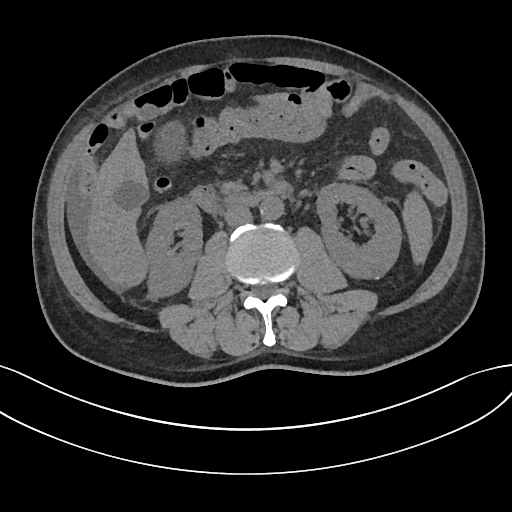 CT, abdomen/pelvis · Axial slice 117/213
Each box given as x1,y1,x2,y2.
spleen: x1=402, y1=191, x2=432, y2=264
right kidney: x1=145, y1=198, x2=202, y2=297
left kidney: x1=317, y1=183, x2=401, y2=278
gall bladder: x1=155, y1=121, x2=185, y2=161
liver: x1=87, y1=129, x2=148, y2=287
aorta: x1=260, y1=196, x2=283, y2=220
inferior vena cava: x1=224, y1=204, x2=252, y2=227
pancreas: x1=222, y1=182, x2=242, y2=192
duodenum: x1=188, y1=182, x2=289, y2=213